CT of the abdomen reaching into the lower chest, slice just above the liver and spleen. axial view. soft-tissue window. 512x512 px. acquired on SOMATOM Force
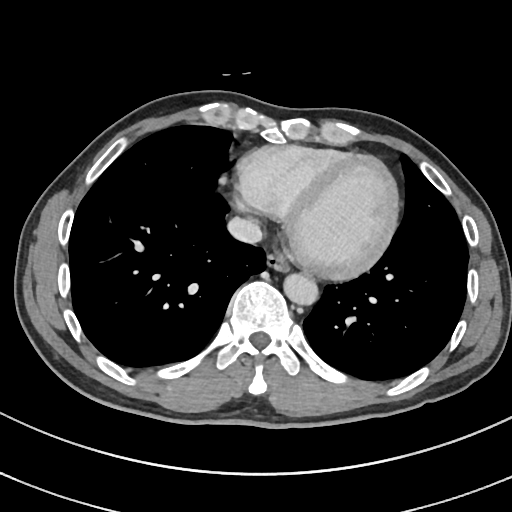 Of the structures in the chest, this dataset labels only the esophagus, the aorta and the inferior vena cava; the heart and lungs have no label. Boxes: x1 y1 x2 y2 (pixel coords, space-separated). Labeled organs on this slice: esophagus at 266 251 290 271, aorta at 283 273 318 304, inferior vena cava at 227 217 262 243.